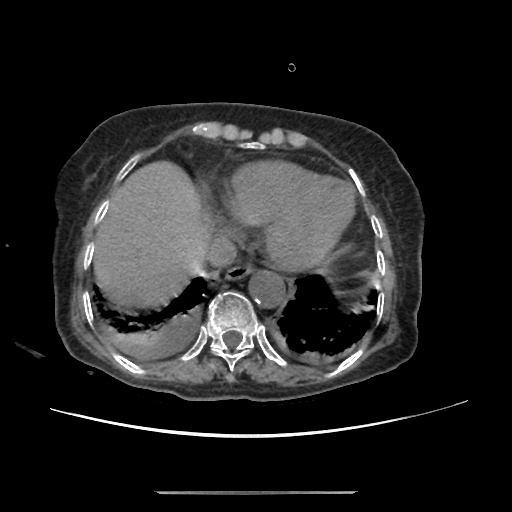

CT abdomen. axial plane, index 311. abdomen soft-tissue window. SOMATOM Force scanner. scan has 14 labeled organs (that count is for the whole scan; organs this slice misses have no box)
Each box given as x1,y1,x2,y2.
Organ bounding boxes:
- liver: x1=93, y1=160, x2=216, y2=309
- esophagus: x1=225, y1=261, x2=253, y2=279
- inferior vena cava: x1=205, y1=235, x2=236, y2=267
- aorta: x1=248, y1=270, x2=284, y2=306